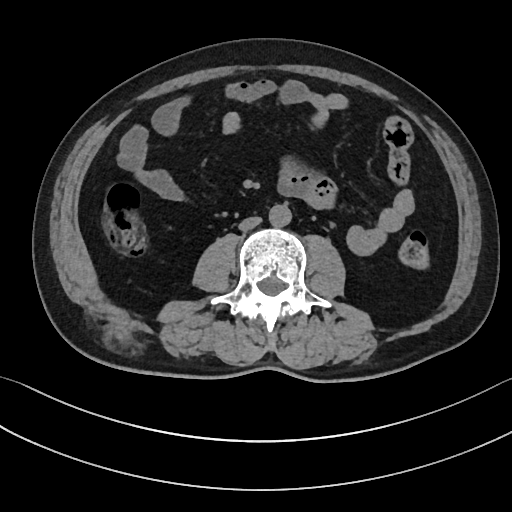 CT abdomen. axial view
Box edges are left/top/right/bottom in pixels.
Organ bounding boxes:
- aorta: left=268, top=204, right=291, bottom=227
- inferior vena cava: left=238, top=216, right=261, bottom=230